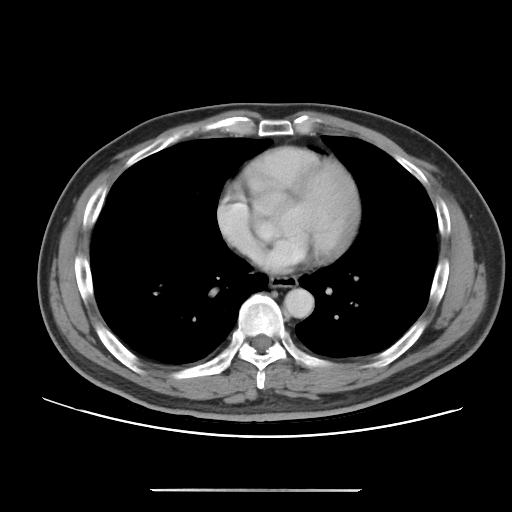 Abdominal CT; this slice is in the lower chest, just above the liver; axial plane, index 97; W/L 400/40 HU
No part of the heart or lungs is labeled in this dataset, so neither has a box here.
<organs><organ name="esophagus" x1="270" y1="276" x2="297" y2="287"/><organ name="aorta" x1="284" y1="288" x2="314" y2="318"/></organs>